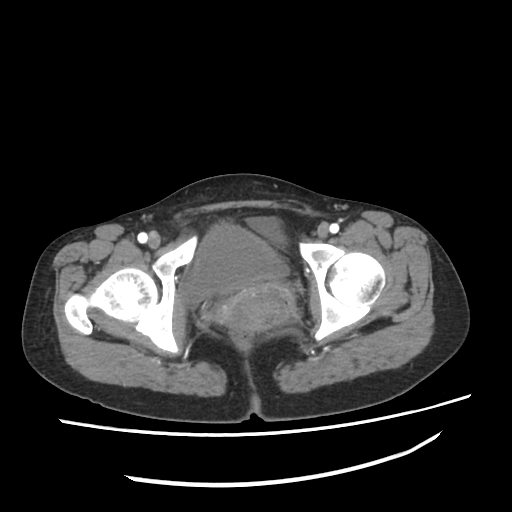
CT, abdomen/pelvis; axial view; abdomen soft-tissue window
{"organs":{"bladder":[183,223,289,303],"prostate/uterus":[216,282,296,331]}}